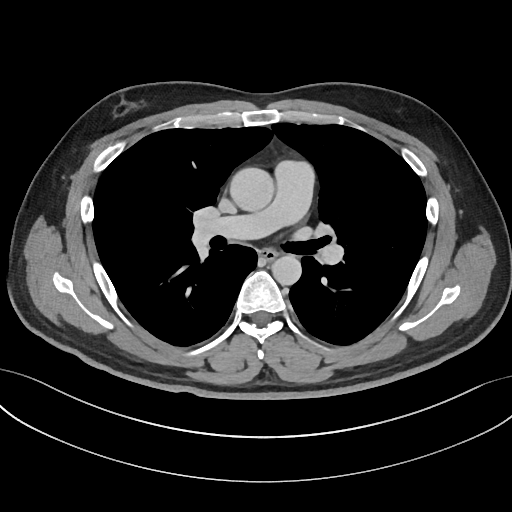
CT of the abdomen extending into the chest, slice through the chest. Axial slice 280/345. soft-tissue window
At this level of the chest this dataset labels only the esophagus and the aorta, and each is boxed only where it is labeled; the heart and lungs are never labeled.
{"organs":{"aorta":[[231,167,274,211],[271,255,301,285]],"esophagus":[259,249,276,261]}}